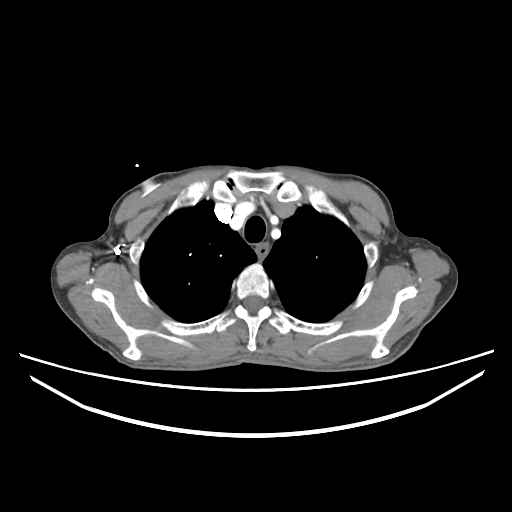 Chest-level slice from an abdominal CT that extends up into the chest · Axial slice 109/118 · W/L 400/40 HU
At this level of the chest this dataset labels only the esophagus and the aorta, and each is boxed only where it is labeled; the heart and lungs are never labeled.
Boxes: x1:y1:x2:y2 in pixels.
Organ bounding boxes:
- esophagus: 256:243:267:257